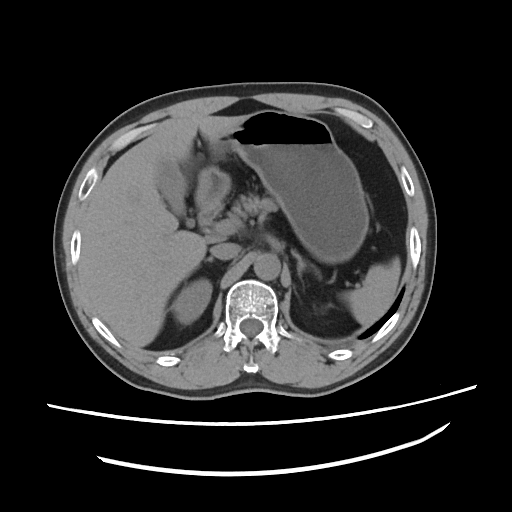

CT abdomen · axial plane, index 72 · 45-year-old male patient · scan has 15 labeled organs (counted over the whole 3D scan, not this slice; an organ is boxed only where this slice passes through it)
One row per box, in pixels: columns x1 and y1 give the top-left corner, x2 and y2 the bottom-right.
| organ | x1 | y1 | x2 | y2 |
|---|---|---|---|---|
| spleen | 349 | 257 | 399 | 325 |
| right kidney | 174 | 281 | 211 | 325 |
| gall bladder | 158 | 158 | 185 | 216 |
| liver | 80 | 115 | 244 | 347 |
| stomach | 196 | 110 | 369 | 263 |
| aorta | 255 | 252 | 281 | 279 |
| inferior vena cava | 209 | 242 | 240 | 258 |
| pancreas | 228 | 194 | 277 | 229 |
| right adrenal gland | 205 | 257 | 213 | 262 |
| left adrenal gland | 291 | 250 | 321 | 283 |
| duodenum | 198 | 204 | 221 | 227 |